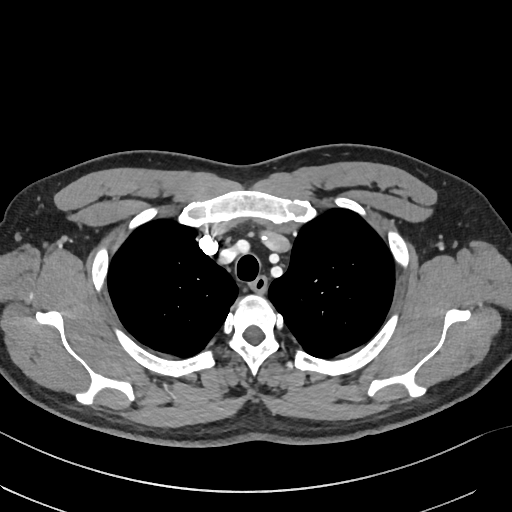
Chest-level slice from an abdominal CT that extends up into the chest. axial view. W/L 400/40 HU. 15 organs annotated in this scan (a whole-scan count: organs this slice does not pass through have no box)
At this level of the chest this dataset labels only the esophagus and the aorta, and each is boxed only where it is labeled; the heart and lungs are never labeled. Coordinates as <box>x1,y1,x2,y2</box> in pixels. 1 labeled organ on this slice — esophagus at <box>250,276,267,292</box>.